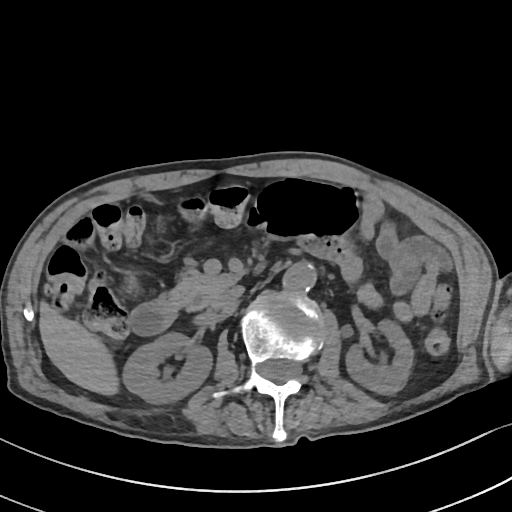

CT abdomen. axial plane, index 129. soft-tissue window (W 400 / L 40). scan has 15 labeled organs (counted over the whole 3D scan, not this slice; an organ is boxed only where this slice passes through it)
<organs><organ name="right kidney" x1="122" y1="333" x2="211" y2="404"/><organ name="left kidney" x1="346" y1="319" x2="414" y2="394"/><organ name="liver" x1="39" y1="302" x2="118" y2="395"/><organ name="aorta" x1="283" y1="262" x2="316" y2="292"/><organ name="inferior vena cava" x1="212" y1="286" x2="244" y2="309"/><organ name="pancreas" x1="168" y1="267" x2="241" y2="310"/><organ name="duodenum" x1="129" y1="297" x2="178" y2="335"/></organs>